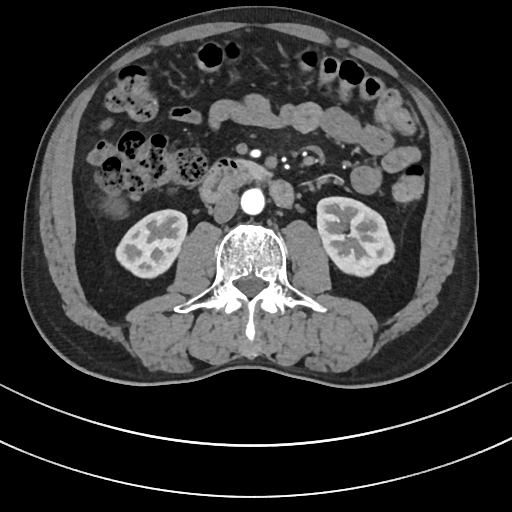 CT abdomen · axial view · SOMATOM Force scanner · scan has 15 labeled organs (counted over the whole 3D scan, not this slice; an organ is boxed only where this slice passes through it)
Coordinates as <box>x1,y1,x2,y2</box> in pixels.
right kidney: <box>116,209,187,277</box>
left kidney: <box>316,197,394,276</box>
aorta: <box>240,188,264,214</box>
inferior vena cava: <box>212,192,238,223</box>
pancreas: <box>243,161,268,179</box>
duodenum: <box>200,158,293,207</box>